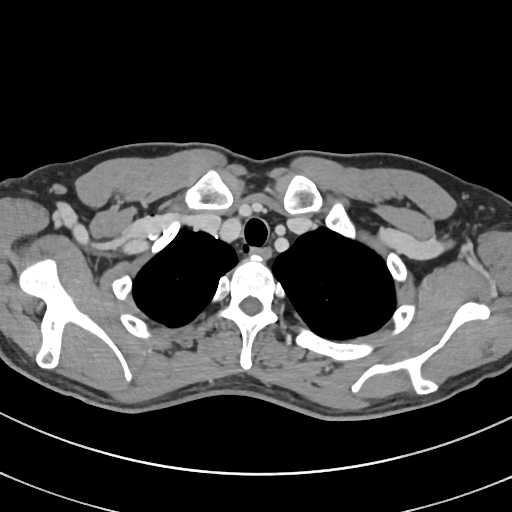

Chest-level CT slice, above the liver and spleen; Axial slice 274/298
At this level of the chest this dataset labels only the esophagus and the aorta, and each is boxed only where it is labeled; the heart and lungs are never labeled.
Boxes: x1:y1:x2:y2 in pixels.
Organ bounding boxes:
- esophagus: 250:246:270:257